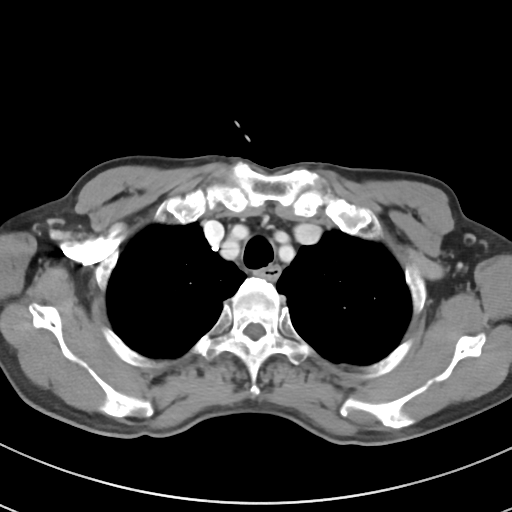

Chest-level CT slice, above the liver and spleen — axial plane, index 111
At this level of the chest no structure but the esophagus and the aorta has a label in this dataset, and those two are boxed only where they are labeled.
<organs><organ name="esophagus" x1="256" y1="266" x2="280" y2="279"/></organs>